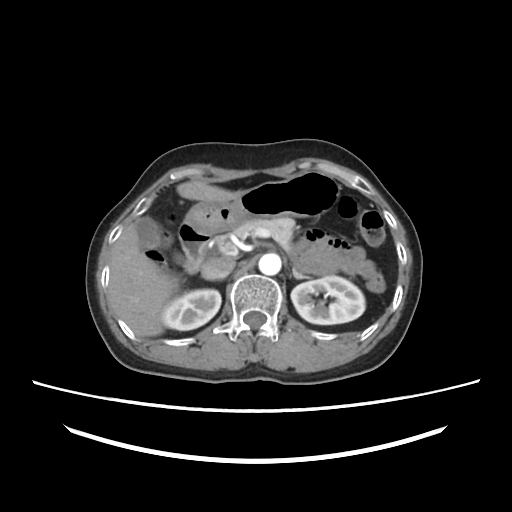 Abdominal CT · axial view · soft-tissue window
{"organs":{"right kidney":[162,289,221,330],"left kidney":[291,276,365,324],"gall bladder":[135,216,183,264],"liver":[108,181,244,337],"stomach":[183,172,340,232],"aorta":[258,253,281,275],"inferior vena cava":[201,256,235,279],"pancreas":[217,217,294,250],"left adrenal gland":[292,268,310,279],"duodenum":[179,224,210,273]}}